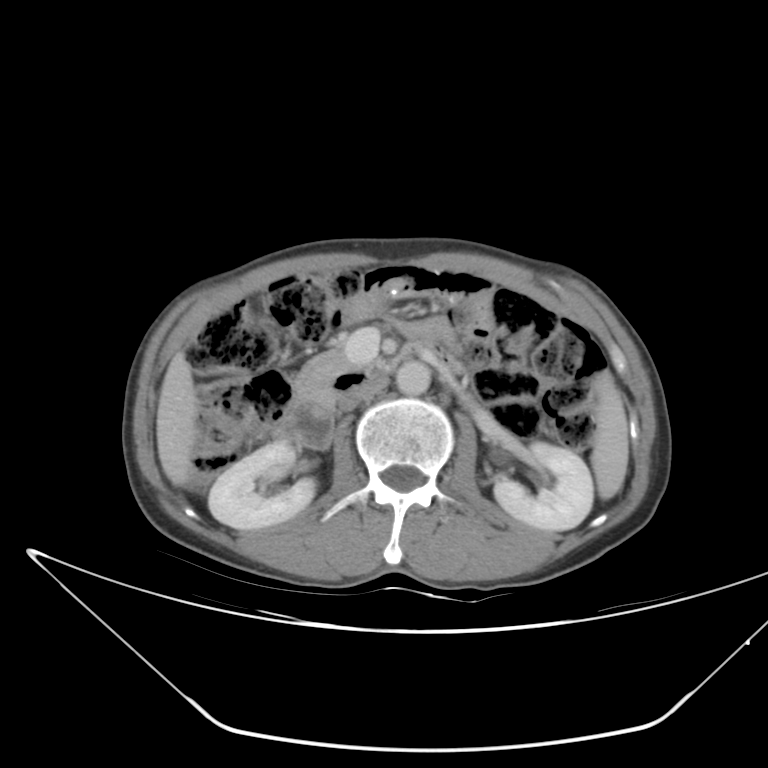 CT abdomen · Axial slice 33/104 · 62-year-old male patient · 13 organs annotated in this scan (counted over the whole 3D scan, not this slice; an organ is boxed only where this slice passes through it)
{"organs":{"spleen":[590,370,627,499],"right kidney":[209,441,314,529],"left kidney":[495,441,593,529],"liver":[156,352,196,484],"aorta":[395,361,429,393],"inferior vena cava":[338,377,390,411],"pancreas":[293,347,361,398],"duodenum":[277,341,470,450]}}